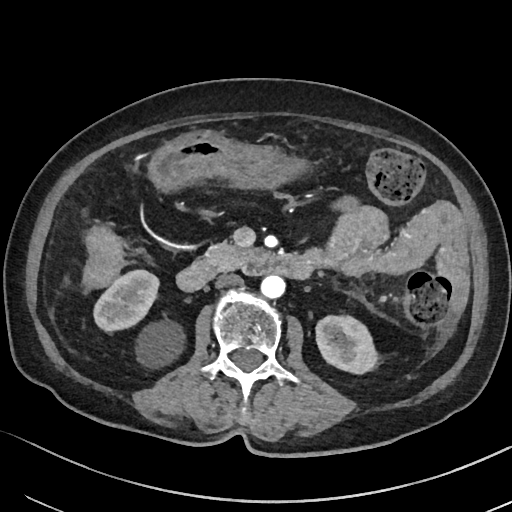
Abdominal CT · axial view · soft-tissue window · 512x512 px
Each box given as x1,y1,x2,y2. Labeled organs on this slice: left kidney at x1=315, y1=314, x2=379, y2=375, aorta at x1=259, y1=275, x2=284, y2=299, stomach at x1=148, y1=132, x2=308, y2=192, pancreas at x1=198, y1=240, x2=257, y2=270, duodenum at x1=176, y1=251, x2=313, y2=292, right kidney at x1=93, y1=269, x2=184, y2=368, inferior vena cava at x1=215, y1=273, x2=242, y2=288.